Chest-level CT slice, above the liver and spleen · axial view · soft-tissue window, W/L 400/40 · 61-year-old male patient
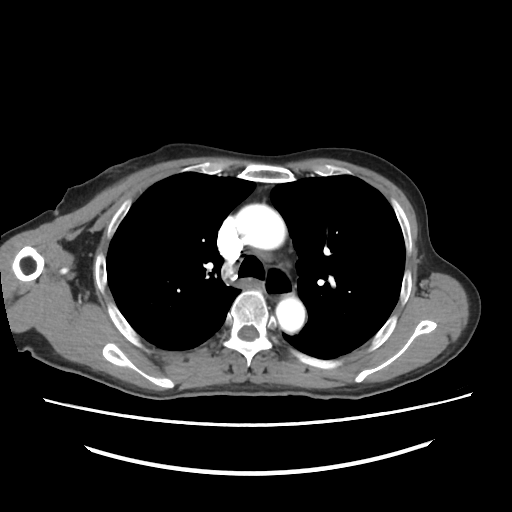
At this level of the chest this dataset labels only the esophagus and the aorta, and each is boxed only where it is labeled; the heart and lungs are never labeled.
{"organs":{"aorta":[[238,204,287,250],[274,298,304,332]],"esophagus":[266,265,293,301]}}